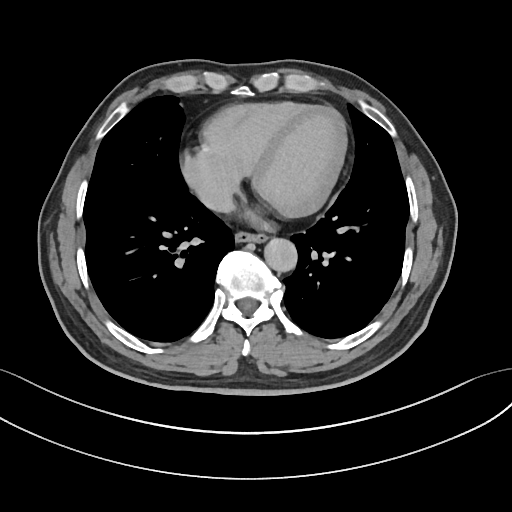 Lower-chest slice from an abdominal CT, just above the liver and spleen. axial view. W/L 400/40 HU. 512x512 px. acquired on SOMATOM Force
Of the structures in the chest, this dataset labels only the esophagus, the aorta and the inferior vena cava; the heart and lungs have no label.
<organs><organ name="inferior vena cava" x1="199" y1="185" x2="234" y2="212"/><organ name="aorta" x1="264" y1="238" x2="297" y2="272"/><organ name="esophagus" x1="235" y1="232" x2="266" y2="242"/></organs>